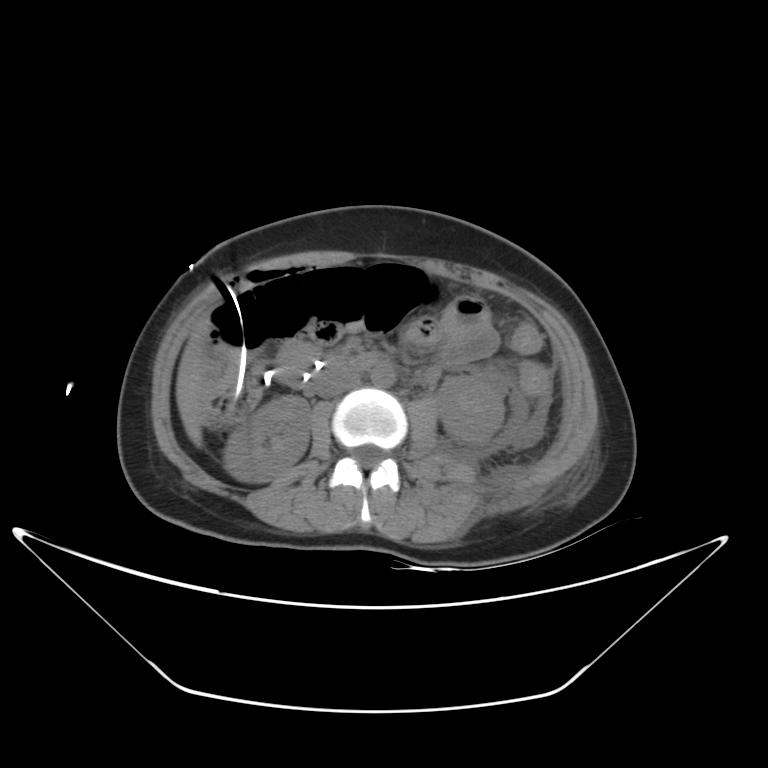
Abdominal CT · axial view · soft-tissue window · acquired on Brilliance16
Coordinates as <box>x1,y1,x2,y2</box> in pixels.
inferior vena cava: <box>318,370,360,397</box>
right kidney: <box>224,395,310,483</box>
left kidney: <box>436,374,504,443</box>
duodenum: <box>261,354,376,388</box>
aorta: <box>370,365,394,386</box>
liver: <box>176,334,204,447</box>